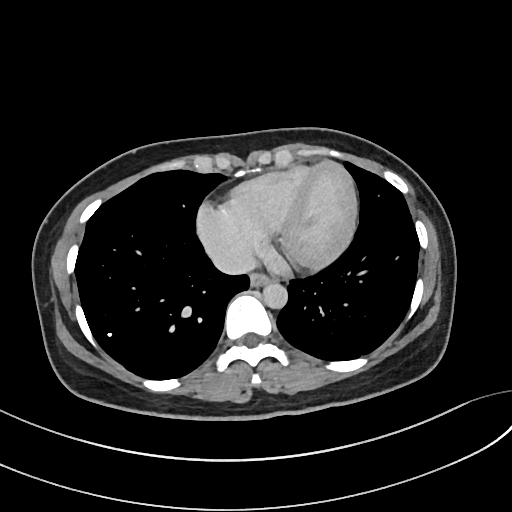
Lower-chest slice from an abdominal CT, just above the liver and spleen · axial view · soft-tissue window
No part of the heart or lungs is labeled in this dataset, so neither has a box here.
Coordinates as <box>x1,y1,x2,y2</box> in pixels.
Organ bounding boxes:
- esophagus: <box>249,272,271,286</box>
- aorta: <box>262,282,287,308</box>
- inferior vena cava: <box>212,248,255,274</box>